CT, abdomen/pelvis — Axial slice 27/100 — 71-year-old female patient
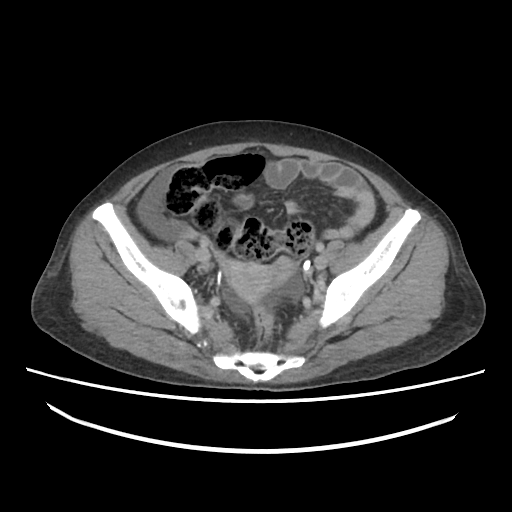 Boxes: x1 y1 x2 y2 (pixel coords, space-separated).
Organ bounding boxes:
- prostate/uterus: 225 260 276 298